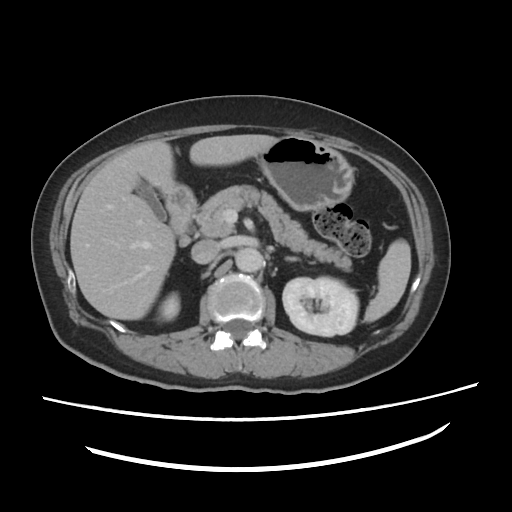 CT abdomen — axial view — 61-year-old female patient
Organ boxes in pixel coordinates; each row gives the top-left (x1, y1) and bottom-right (x2, y2) corners.
| organ | x1 | y1 | x2 | y2 |
|---|---|---|---|---|
| spleen | 364 | 238 | 411 | 322 |
| right kidney | 155 | 292 | 181 | 320 |
| left kidney | 282 | 277 | 359 | 335 |
| gall bladder | 134 | 181 | 165 | 220 |
| liver | 71 | 135 | 279 | 320 |
| stomach | 160 | 137 | 355 | 210 |
| aorta | 235 | 248 | 263 | 272 |
| inferior vena cava | 191 | 238 | 219 | 262 |
| pancreas | 194 | 184 | 351 | 270 |
| left adrenal gland | 285 | 255 | 300 | 260 |
| duodenum | 166 | 184 | 196 | 232 |